Magnetic resonance imaging, abdomen · axial view · 1st–99th percentile window · 288x232 px
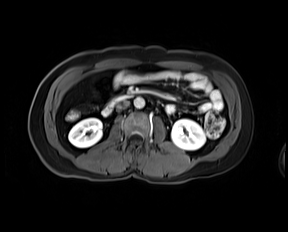

Box edges are left/top/right/bottom in pixels.
left kidney: left=171, top=119, right=205, bottom=150
aorta: left=134, top=97, right=144, bottom=108
duodenum: left=103, top=96, right=128, bottom=115
right kidney: left=68, top=118, right=102, bottom=147
inferior vena cava: left=116, top=101, right=129, bottom=110